Abdominal CT reaching into the chest; this slice is in the chest. axial view. 512x512 px. 15 organs annotated in this scan (a whole-scan count: organs this slice does not pass through have no box)
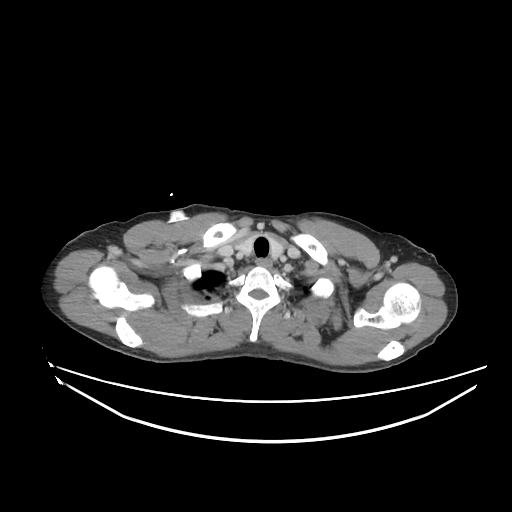
At this level of the chest this dataset labels only the esophagus and the aorta, and each is boxed only where it is labeled; the heart and lungs are never labeled.
Organ boxes in pixel coordinates; each row gives the top-left (x1, y1) and bottom-right (x2, y2) corners.
| organ | x1 | y1 | x2 | y2 |
|---|---|---|---|---|
| esophagus | 256 | 258 | 272 | 265 |